CT abdomen — axial plane, index 74
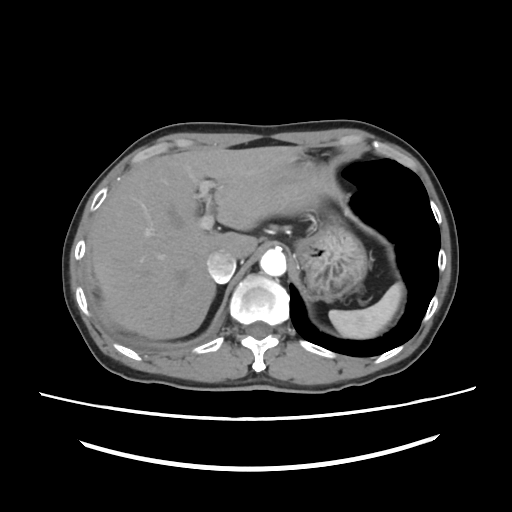

Boxes: x1:y1:x2:y2 in pixels. 5 labeled organs on this slice — spleen at 329:282:403:338; liver at 92:146:322:339; stomach at 295:155:367:301; aorta at 260:249:286:276; inferior vena cava at 206:251:235:282.